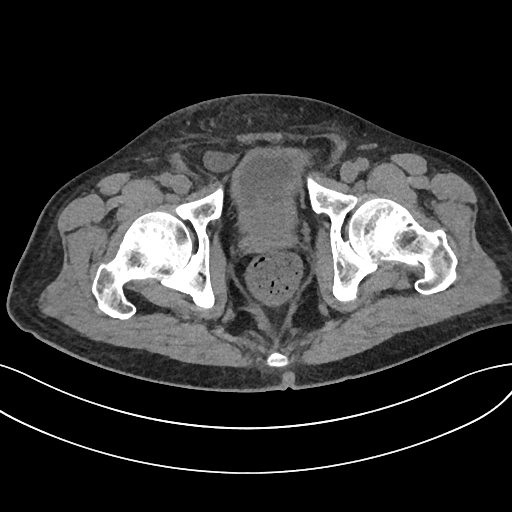
CT abdomen; axial view; W/L 400/40 HU; 512x512 px
{"organs":{"bladder":[233,149,305,217],"prostate/uterus":[245,208,291,238]}}